Chest-level slice from an abdominal CT that extends up into the chest; Axial slice 92/120
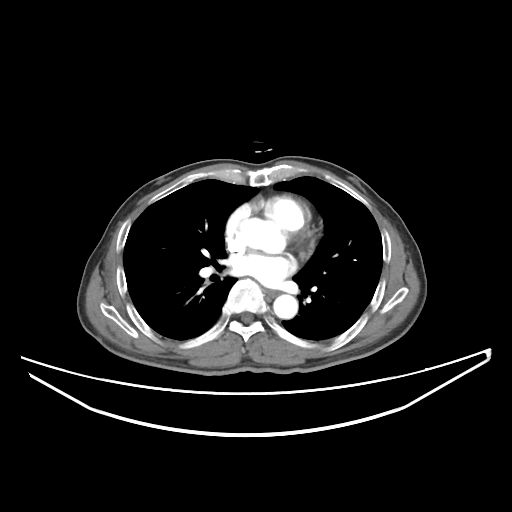

At this level of the chest no structure but the esophagus and the aorta has a label in this dataset, and those two are boxed only where they are labeled.
{"organs":{"esophagus":[265,289,278,296],"aorta":[273,294,297,318]}}